CT abdomen — Axial slice 174/206 — abdomen soft-tissue window
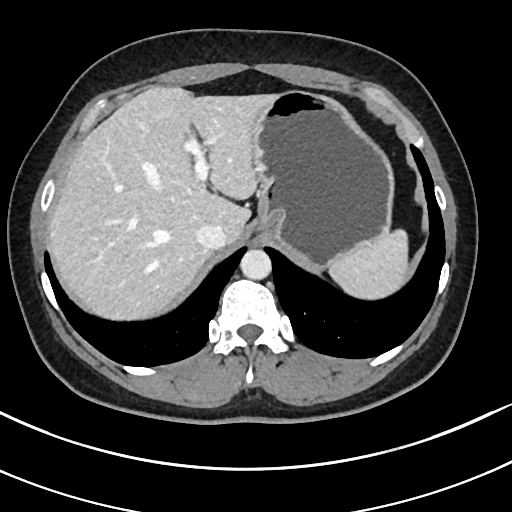 Box edges are left/top/right/bottom in pixels.
spleen: left=329, top=229, right=407, bottom=300
liver: left=49, top=86, right=280, bottom=317
stomach: left=250, top=91, right=392, bottom=269
aorta: left=240, top=249, right=271, bottom=280
inferior vena cava: left=196, top=223, right=225, bottom=249